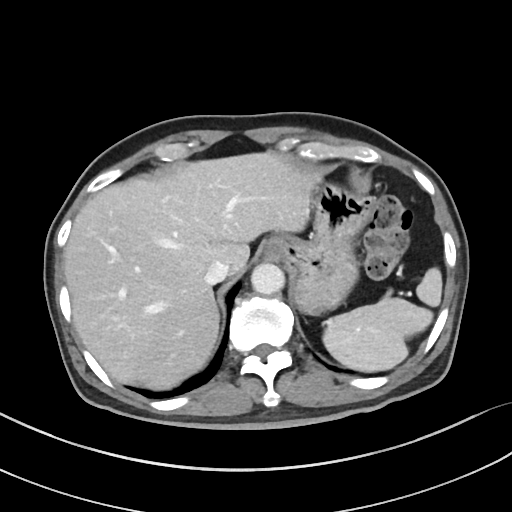

CT, abdomen/pelvis. Axial slice 75/128
Boxes are (x1, y1, x2, y2) in pixels.
Organ bounding boxes:
- spleen: (323, 267, 442, 372)
- esophagus: (265, 237, 286, 258)
- liver: (64, 152, 318, 389)
- stomach: (282, 183, 373, 314)
- aorta: (251, 262, 284, 294)
- inferior vena cava: (205, 261, 229, 285)